CT abdomen. axial view. soft-tissue window (W 400 / L 40)
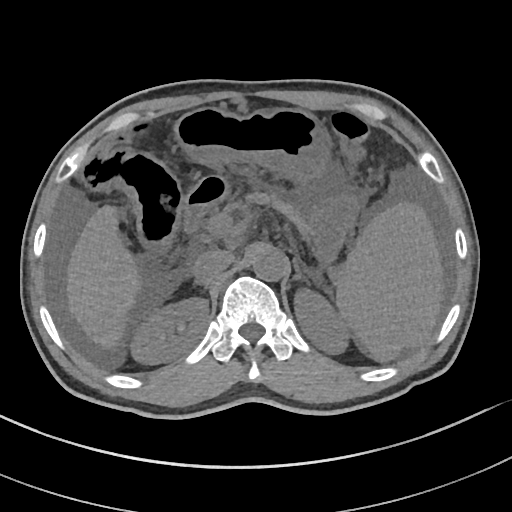
Boxes are (x1, y1, x2, y2) in pixels.
spleen: (336, 202, 442, 361)
right kidney: (129, 297, 209, 364)
left kidney: (294, 289, 350, 354)
liver: (67, 205, 141, 348)
stomach: (174, 107, 361, 260)
aorta: (252, 248, 287, 281)
inferior vena cava: (192, 250, 234, 282)
pancreas: (249, 192, 310, 243)
right adrenal gland: (194, 280, 208, 290)
left adrenal gland: (293, 263, 310, 285)
duodenum: (182, 176, 227, 232)